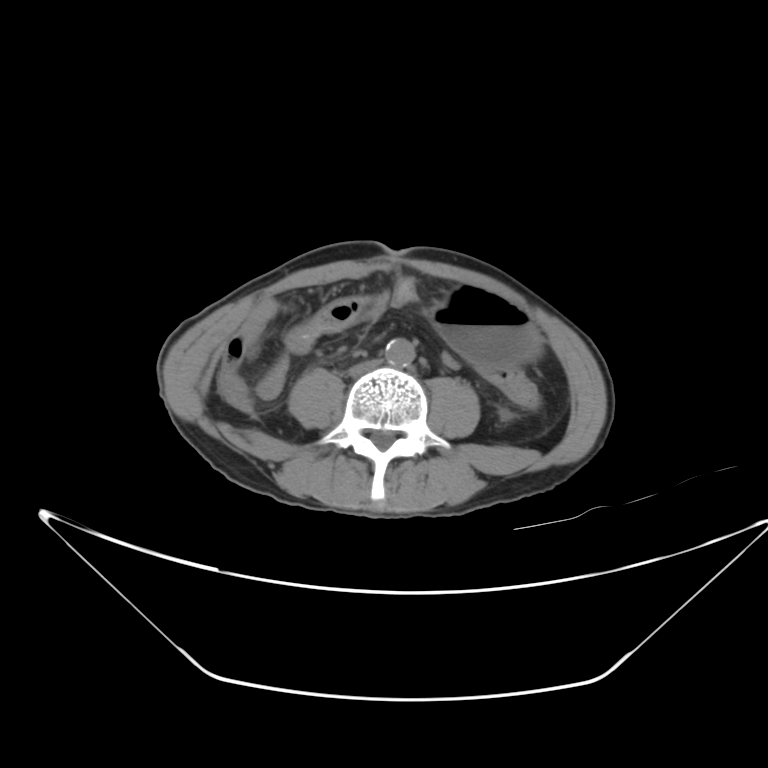

Computed tomography, abdomen. Axial slice 44/96. soft-tissue window. 51-year-old male patient. acquired on Brilliance16. 15 organs annotated in this scan (counted over the whole 3D scan, not this slice; an organ is boxed only where this slice passes through it)
One row per box, in pixels: columns x1 and y1 give the top-left corner, x2 and y2 the bottom-right.
| organ | x1 | y1 | x2 | y2 |
|---|---|---|---|---|
| left kidney | 501 | 407 | 512 | 418 |
| stomach | 429 | 286 | 541 | 366 |
| aorta | 386 | 336 | 414 | 365 |
| inferior vena cava | 350 | 358 | 383 | 378 |